Computed tomography, abdomen; axial view; abdomen soft-tissue window
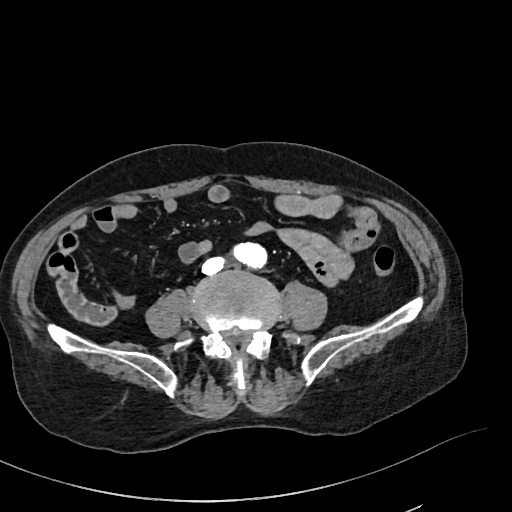 Each box given as x1,y1,x2,y2.
Organ bounding boxes:
- aorta: x1=234, y1=243, x2=266, y2=268
- inferior vena cava: x1=201, y1=256, x2=226, y2=276